Computed tomography, abdomen · Axial slice 90/115 · 512x512 px · 55-year-old male patient · scan has 15 labeled organs (a whole-scan count: organs this slice does not pass through have no box)
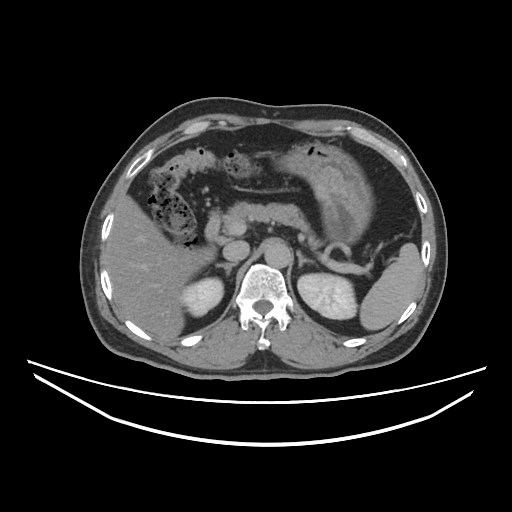

Boxes are (x1, y1, x2, y2) in pixels. Labeled organs on this slice: spleen at (359, 244, 421, 330), right kidney at (181, 278, 222, 316), left kidney at (297, 273, 356, 319), liver at (108, 197, 214, 339), stomach at (278, 142, 371, 241), aorta at (265, 244, 289, 267), inferior vena cava at (223, 240, 248, 262), pancreas at (223, 203, 321, 249), right adrenal gland at (217, 263, 235, 275), left adrenal gland at (297, 252, 314, 267), duodenum at (205, 212, 220, 243).